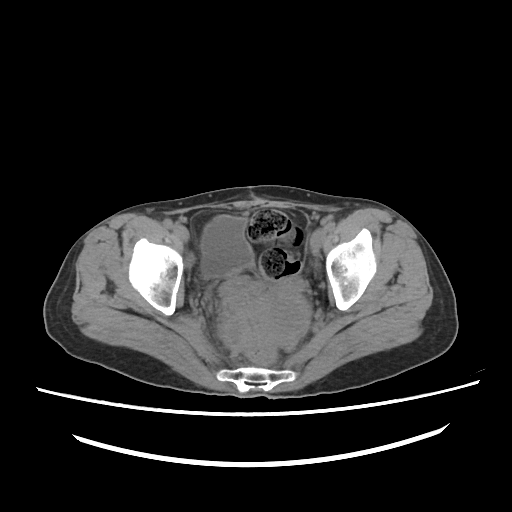
CT abdomen. axial view. soft-tissue window (W 400 / L 40). 512x512 px
Each box given as x1,y1,x2,y2.
Organ bounding boxes:
- bladder: x1=200, y1=215, x2=253, y2=277
- prostate/uterus: x1=256, y1=284, x2=307, y2=341